CT, abdomen/pelvis. axial plane, index 90. 39-year-old female patient
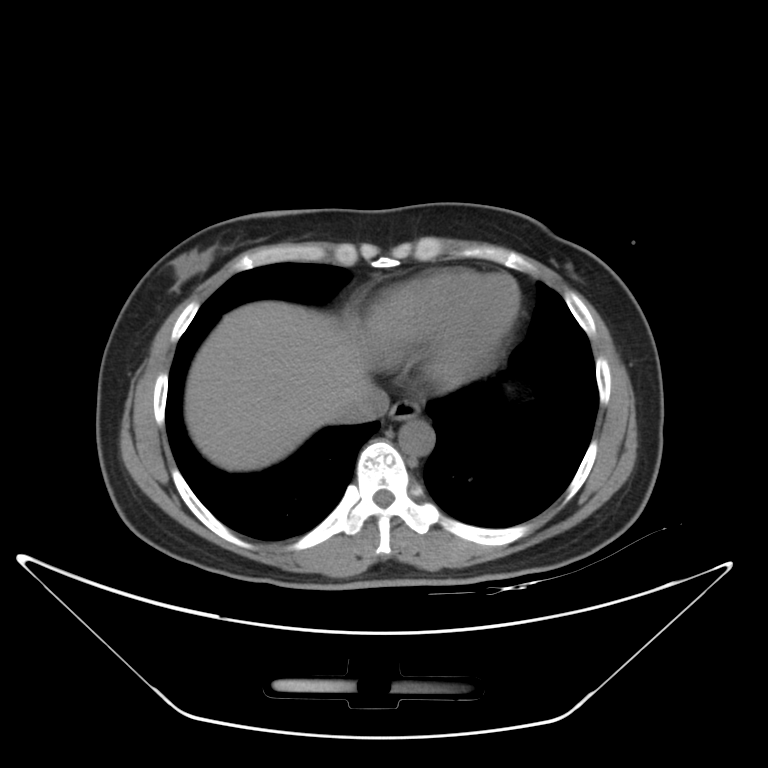 One row per box, in pixels: columns x1 and y1 give the top-left corner, x2 and y2 the bottom-right.
| organ | x1 | y1 | x2 | y2 |
|---|---|---|---|---|
| esophagus | 388 | 399 | 421 | 421 |
| liver | 185 | 301 | 371 | 470 |
| inferior vena cava | 335 | 384 | 388 | 423 |
| aorta | 399 | 419 | 434 | 456 |